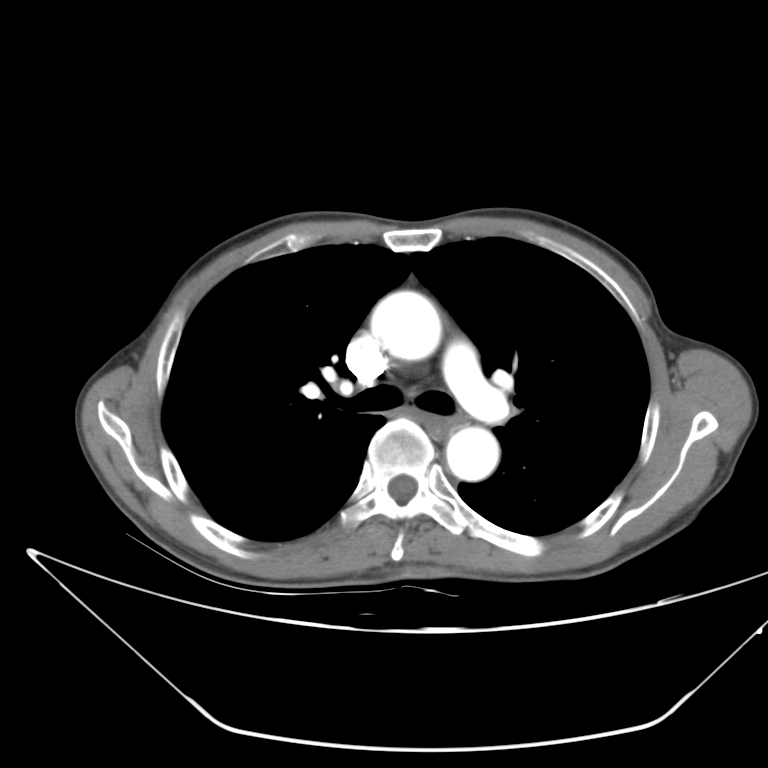

Abdominal CT reaching into the chest; this slice is in the chest. Axial slice 81/103. 768x768 px. 62-year-old male patient
At this level of the chest this dataset labels only the esophagus and the aorta, and each is boxed only where it is labeled; the heart and lungs are never labeled.
Each box given as x1,y1,x2,y2.
Organ bounding boxes:
- esophagus: x1=422, y1=415, x2=456, y2=440
- aorta: x1=371, y1=291, x2=441, y2=360
- aorta: x1=446, y1=426, x2=499, y2=481